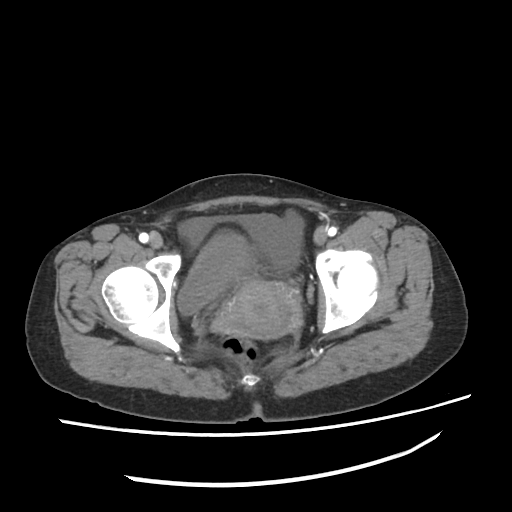 Computed tomography, abdomen · axial plane, index 8 · soft-tissue window (W 400 / L 40) · 512x512 px
Organ boxes in pixel coordinates; each row gives the top-left (x1, y1) and bottom-right (x2, y2) corners.
| organ | x1 | y1 | x2 | y2 |
|---|---|---|---|---|
| bladder | 178 | 234 | 257 | 314 |
| prostate/uterus | 226 | 280 | 299 | 338 |